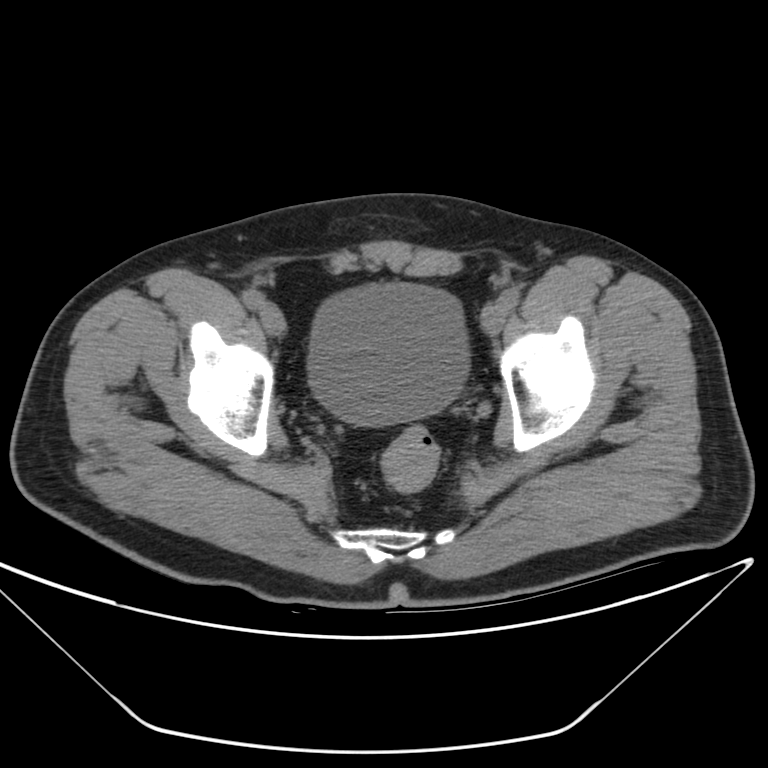 CT abdomen; axial view; W/L 400/40 HU; 768x768 px; 45-year-old male patient; acquired on Brilliance16
{"organs":{"bladder":[309,285,469,425]}}